CT of the abdomen extending into the chest, slice through the chest. axial view. 50-year-old male patient. acquired on Aquilion ONE. scan has 14 labeled organs (a whole-scan count: organs this slice does not pass through have no box)
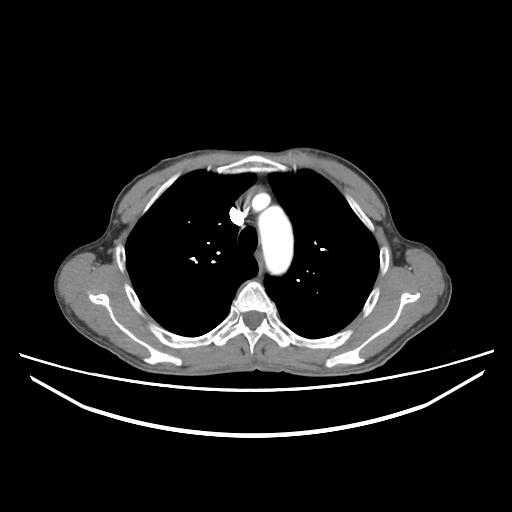 At this level of the chest no structure but the esophagus and the aorta has a label in this dataset, and those two are boxed only where they are labeled.
{"organs":{"esophagus":[259,254,263,271],"aorta":[258,206,293,274]}}